Abdominal CT · axial view · 15 organs annotated in this scan (counted over the whole 3D scan, not this slice; an organ is boxed only where this slice passes through it)
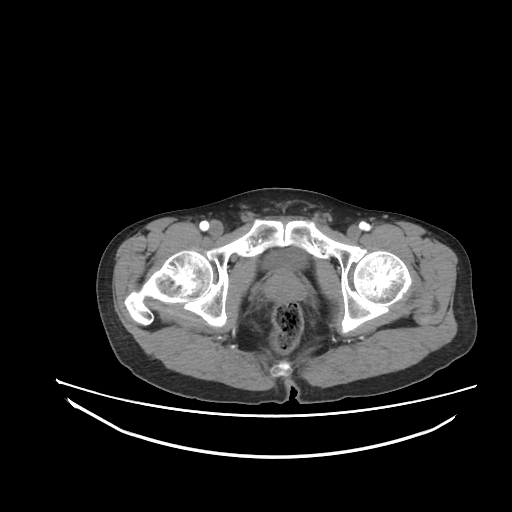

Each box given as x1,y1,x2,y2.
Organ bounding boxes:
- prostate/uterus: x1=264, y1=269, x2=306, y2=302
- bladder: x1=264, y1=249, x2=304, y2=268